Abdominal CT; this slice is in the lower chest, just above the liver; axial view
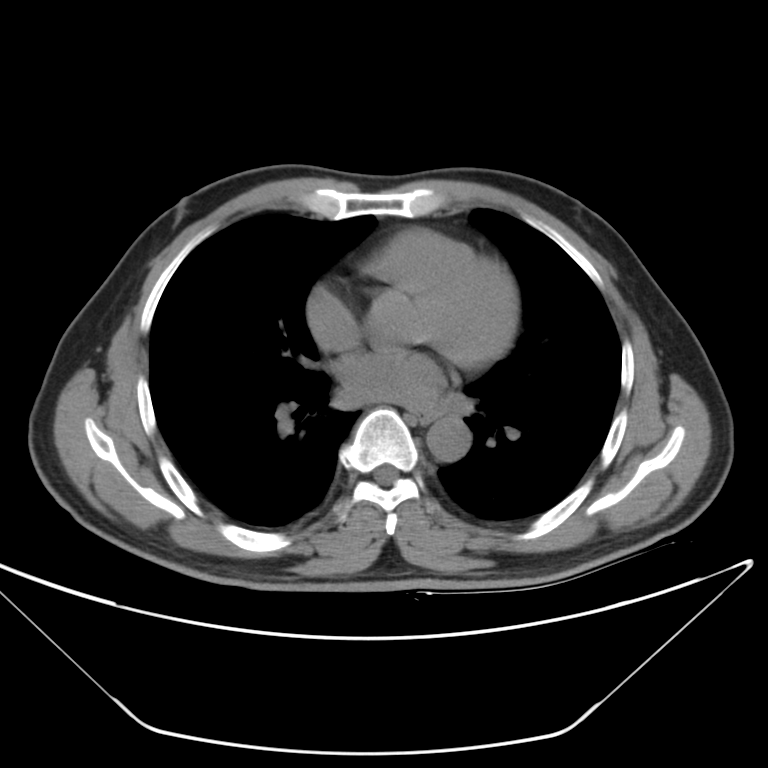

The heart and lungs are never labeled in this dataset, so they have no box on this slice.
{"organs":{"aorta":[426,412,469,461],"esophagus":[409,407,441,425]}}